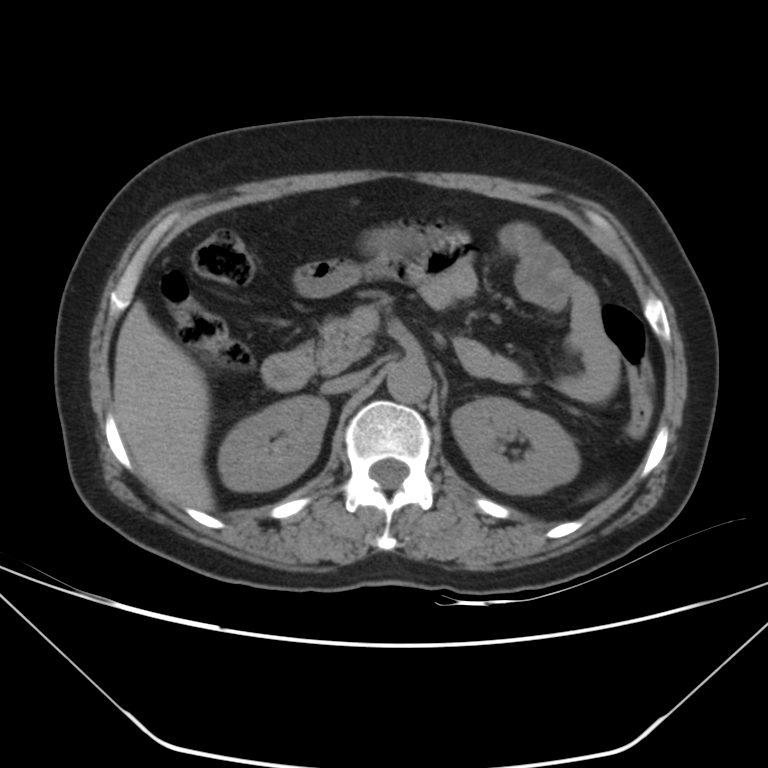

CT, abdomen/pelvis · axial view · 768x768 px · 40-year-old male patient
Coordinates as <box>x1,y1,x2,y2</box> in pixels. The annotated organs in this slice are: right kidney at <box>217,396,328,491</box>, left kidney at <box>451,396,580,494</box>, liver at <box>113,301,213,510</box>, aorta at <box>386,359,432,402</box>, inferior vena cava at <box>322,370,369,394</box>, pancreas at <box>314,316,374,374</box>, duodenum at <box>261,349,313,390</box>.